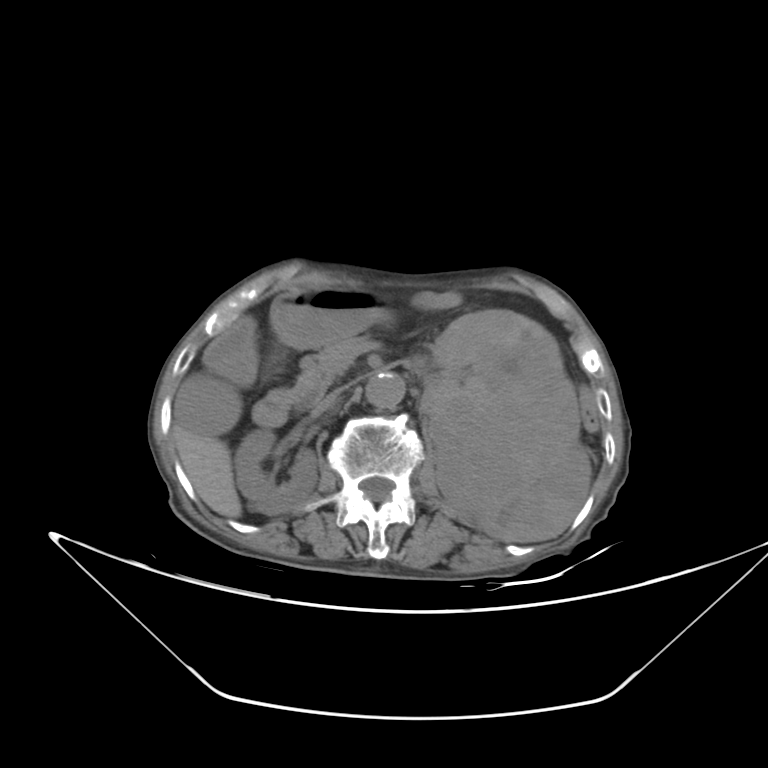

CT abdomen — Axial slice 59/80 — 768x768 px — 15 organs annotated in this scan (that count is for the whole scan; organs this slice misses have no box)
Bounding boxes as [x1, y1, x2, y2] in pixel coordinates.
right kidney: [236, 427, 316, 512]
left kidney: [411, 310, 591, 541]
gall bladder: [176, 371, 317, 435]
liver: [174, 427, 244, 519]
stomach: [267, 290, 394, 347]
aorta: [366, 373, 404, 404]
inferior vena cava: [312, 381, 360, 416]
pancreas: [291, 338, 381, 397]
duodenum: [200, 316, 290, 427]